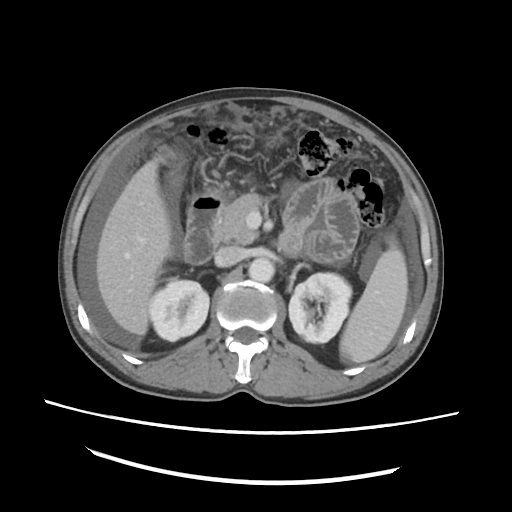

CT, abdomen/pelvis; Axial slice 52/112; 61-year-old male patient; 15 organs annotated in this scan (a whole-scan count: organs this slice does not pass through have no box)
Box edges are left/top/right/bottom in pixels.
Organ bounding boxes:
- spleen: left=339, top=237, right=408, bottom=362
- right kidney: left=149, top=277, right=209, bottom=341
- left kidney: left=288, top=272, right=352, bottom=342
- gall bladder: left=167, top=165, right=183, bottom=191
- liver: left=96, top=159, right=171, bottom=335
- aorta: left=248, top=258, right=274, bottom=282
- inferior vena cava: left=214, top=246, right=242, bottom=266
- pancreas: left=214, top=193, right=263, bottom=244
- duodenum: left=183, top=195, right=222, bottom=264